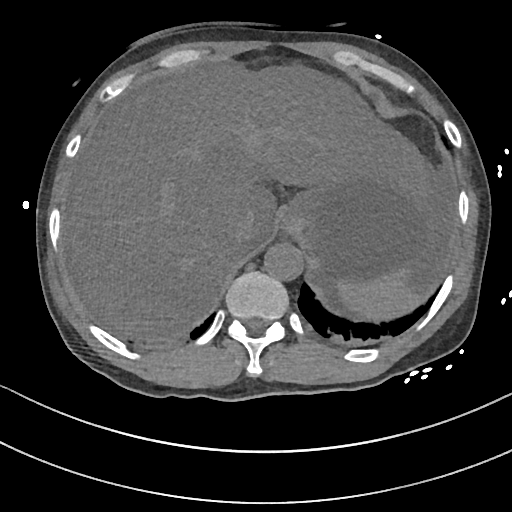 CT, abdomen/pelvis — Axial slice 204/252 — abdomen soft-tissue window — 512x512 px — SOMATOM Force scanner
Box edges are left/top/right/bottom in pixels.
Organ bounding boxes:
- spleen: left=336, top=272, right=418, bottom=320
- liver: left=64, top=65, right=435, bottom=341
- stomach: left=279, top=163, right=445, bottom=287
- aorta: left=264, top=242, right=302, bottom=280
- inferior vena cava: left=231, top=220, right=252, bottom=252